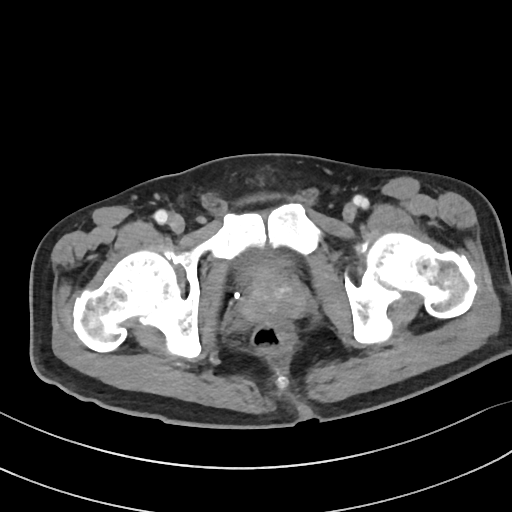 Abdominal CT. axial view. scan has 15 labeled organs (counted over the whole 3D scan, not this slice; an organ is boxed only where this slice passes through it)
Coordinates as <box>x1,y1,x2,y2</box> in pixels. The annotated organs in this slice are: bladder at <box>236,248,290,273</box>, prostate/uterus at <box>239,268,305,322</box>.